CT, abdomen/pelvis; Axial slice 170/333; 512x512 px; acquired on SOMATOM Force
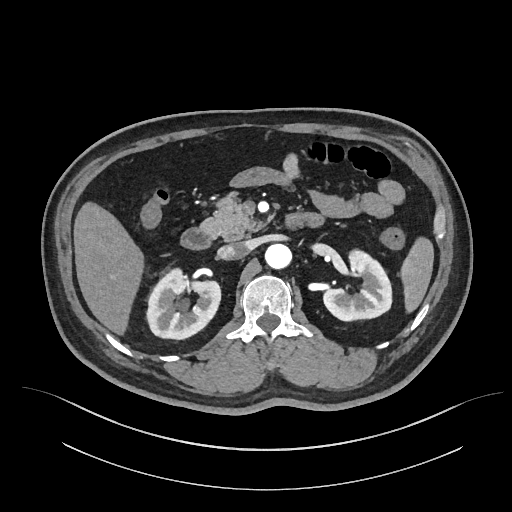
Box edges are left/top/right/bottom in pixels.
Organ bounding boxes:
- spleen: left=400, top=237, right=433, bottom=312
- right kidney: left=147, top=268, right=220, bottom=339
- left kidney: left=323, top=250, right=391, bottom=320
- liver: left=73, top=202, right=143, bottom=335
- aorta: left=264, top=244, right=291, bottom=269
- inferior vena cava: left=217, top=242, right=248, bottom=259
- pancreas: left=200, top=192, right=262, bottom=241
- duodenum: left=180, top=213, right=321, bottom=249